Abdominal CT — axial view — 512x512 px
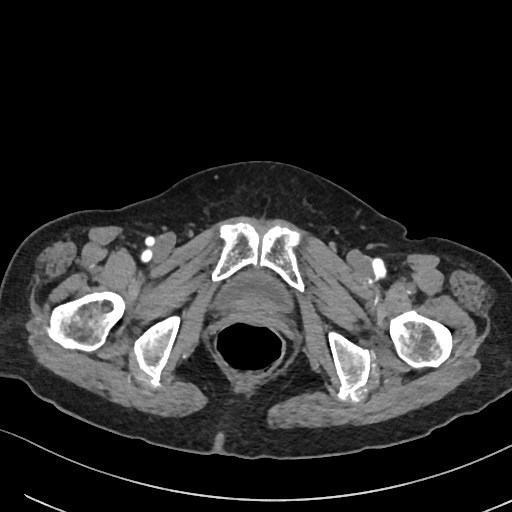

Each box given as x1,y1,x2,y2.
Organ bounding boxes:
- bladder: x1=214, y1=272, x2=292, y2=311